CT of the abdomen extending into the chest, slice through the chest · Axial slice 114/131 · soft-tissue window, W/L 400/40 · 512x512 px
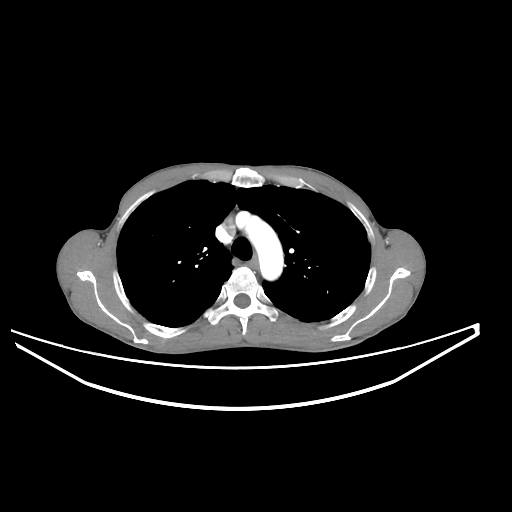
At this level of the chest no structure but the esophagus and the aorta has a label in this dataset, and those two are boxed only where they are labeled.
{"organs":{"esophagus":[248,257,257,268],"aorta":[237,212,283,280]}}